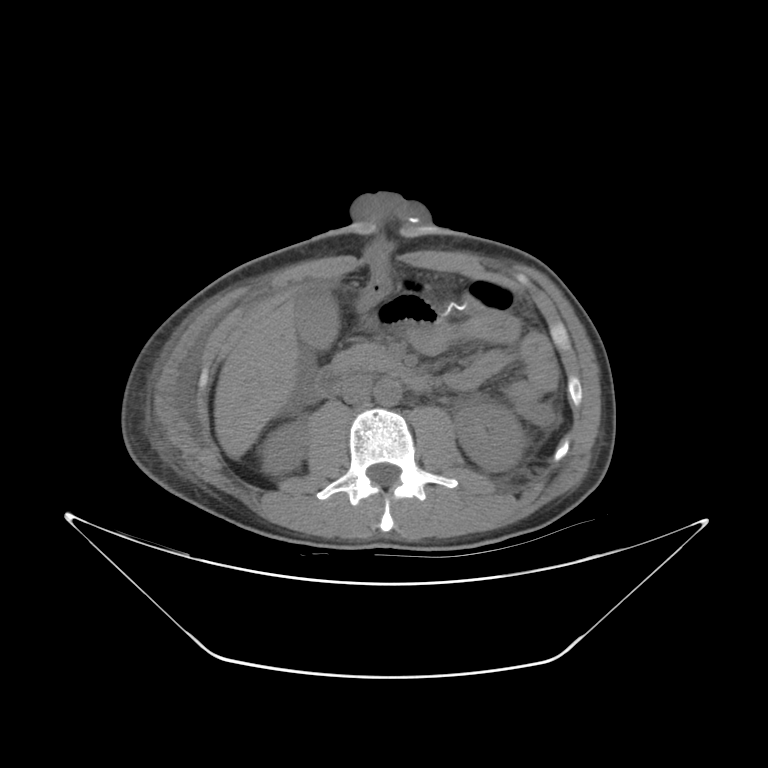

CT abdomen; axial view; 39-year-old male patient
<organs><organ name="right kidney" x1="262" y1="422" x2="307" y2="474"/><organ name="left kidney" x1="454" y1="403" x2="526" y2="471"/><organ name="gall bladder" x1="294" y1="284" x2="338" y2="348"/><organ name="liver" x1="214" y1="298" x2="298" y2="454"/><organ name="aorta" x1="374" y1="379" x2="401" y2="406"/><organ name="inferior vena cava" x1="341" y1="375" x2="372" y2="404"/><organ name="pancreas" x1="330" y1="343" x2="401" y2="373"/><organ name="duodenum" x1="315" y1="366" x2="429" y2="396"/></organs>